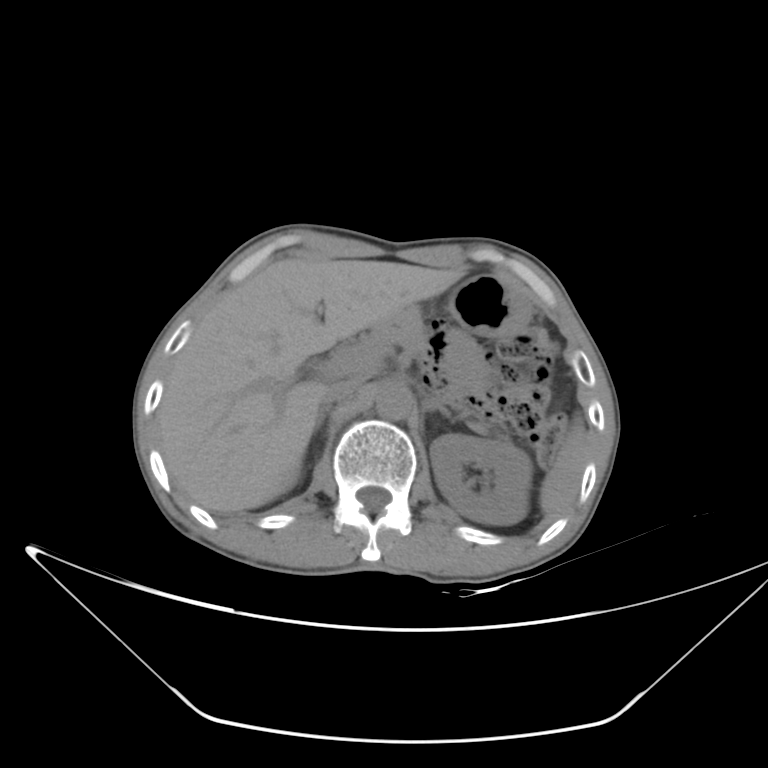
CT, abdomen/pelvis — Axial slice 74/81 — W/L 400/40 HU — 63-year-old male patient
<organs><organ name="spleen" x1="539" y1="418" x2="587" y2="518"/><organ name="right kidney" x1="293" y1="480" x2="294" y2="482"/><organ name="left kidney" x1="429" y1="434" x2="532" y2="525"/><organ name="liver" x1="156" y1="258" x2="462" y2="512"/><organ name="stomach" x1="444" y1="274" x2="531" y2="338"/><organ name="aorta" x1="376" y1="382" x2="411" y2="420"/><organ name="inferior vena cava" x1="323" y1="380" x2="358" y2="404"/><organ name="pancreas" x1="375" y1="310" x2="426" y2="350"/><organ name="right adrenal gland" x1="313" y1="406" x2="328" y2="434"/><organ name="left adrenal gland" x1="425" y1="399" x2="450" y2="417"/></organs>